CT of the abdomen extending into the chest, slice through the chest; axial plane, index 110; 512x512 px
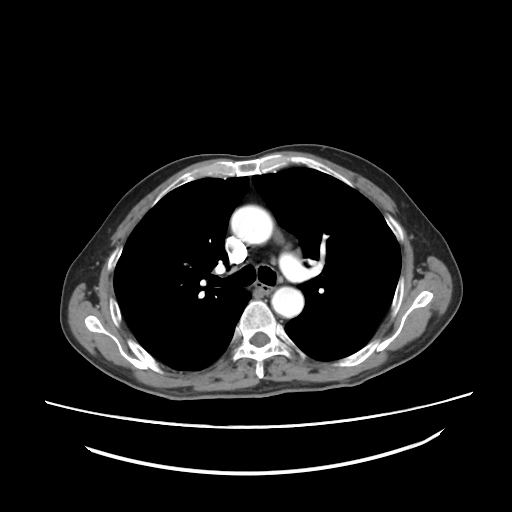 At this level of the chest this dataset labels only the esophagus and the aorta, and each is boxed only where it is labeled; the heart and lungs are never labeled.
{"organs":{"esophagus":[253,280,271,294],"aorta":[[230,205,273,244],[271,286,303,317]]}}